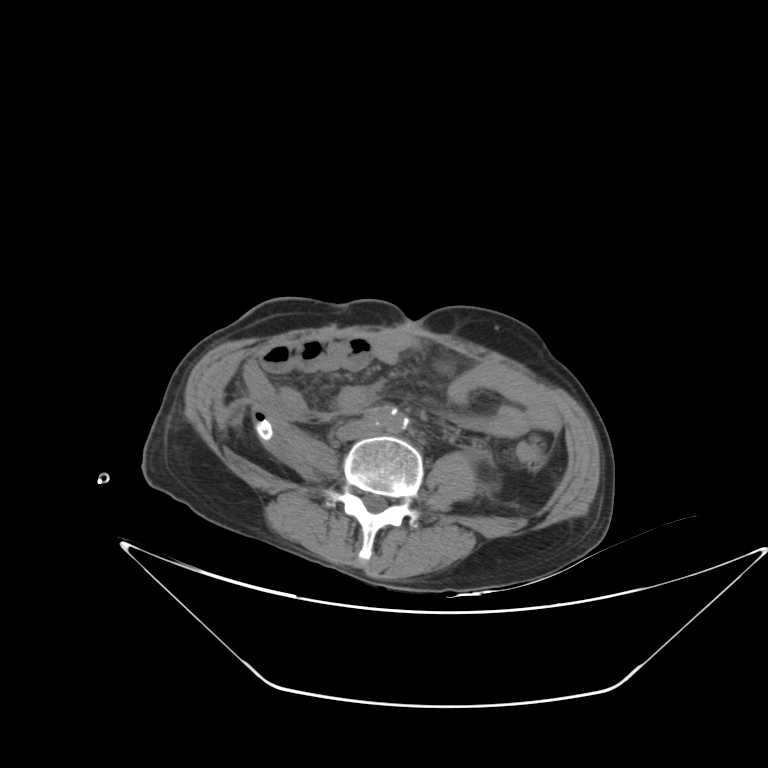

CT abdomen — axial view — 56-year-old male patient — Brilliance16 scanner — 14 organs annotated in this scan (that count is for the whole scan; organs this slice misses have no box)
<organs><organ name="inferior vena cava" x1="338" y1="420" x2="369" y2="439"/></organs>